Abdominal CT; this slice is in the lower chest, just above the liver; axial view; SOMATOM Force scanner
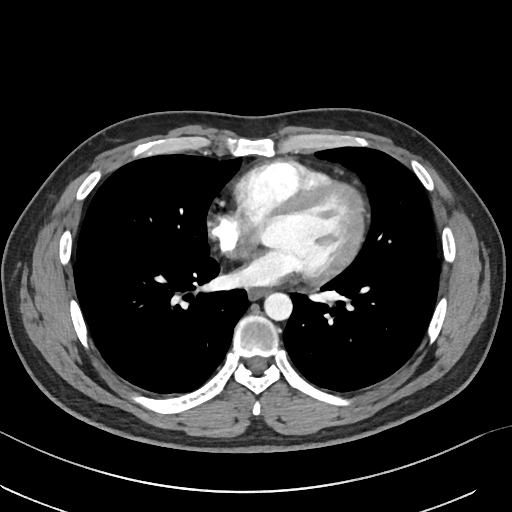 The heart and lungs are never labeled in this dataset, so they have no box on this slice.
<organs><organ name="esophagus" x1="247" y1="289" x2="265" y2="300"/><organ name="aorta" x1="264" y1="293" x2="292" y2="320"/></organs>